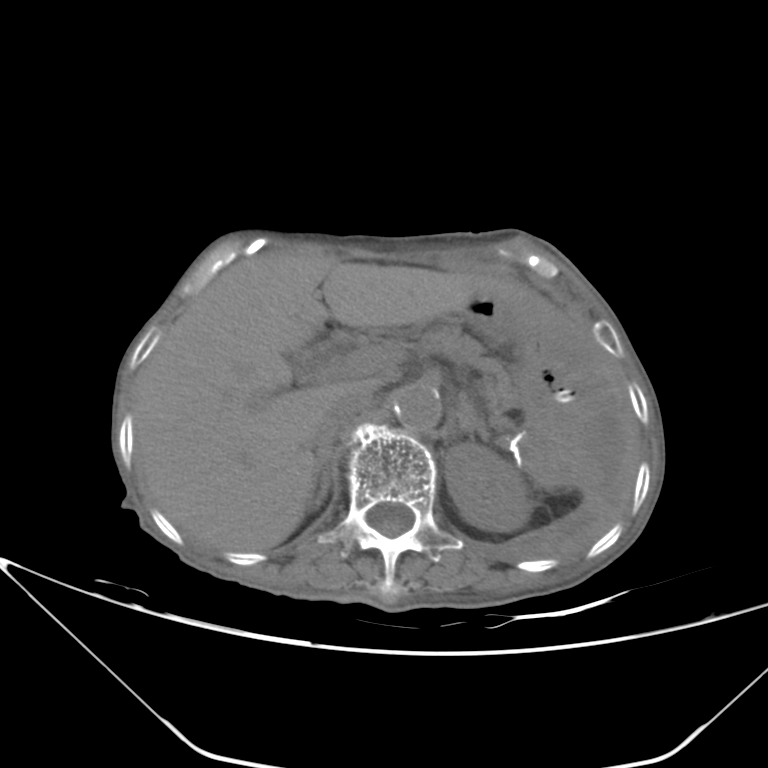

Abdominal CT; axial view
Organ boxes in pixel coordinates; each row gives the top-left (x1, y1) and bottom-right (x2, y2) corners.
| organ | x1 | y1 | x2 | y2 |
|---|---|---|---|---|
| left kidney | 445 | 443 | 531 | 531 |
| right adrenal gland | 308 | 442 | 333 | 510 |
| inferior vena cava | 314 | 392 | 371 | 446 |
| left adrenal gland | 457 | 395 | 489 | 441 |
| aorta | 394 | 386 | 440 | 430 |
| pancreas | 421 | 323 | 518 | 408 |
| liver | 133 | 251 | 524 | 551 |
| stomach | 460 | 290 | 617 | 484 |